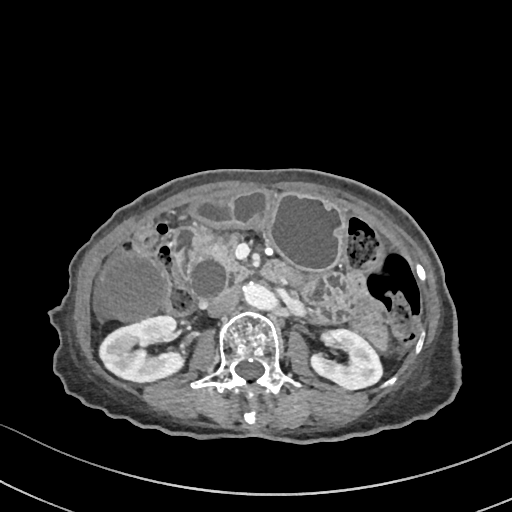
CT abdomen · axial view
{"organs":{"right kidney":[99,316,183,381],"left kidney":[311,329,382,389],"gall bladder":[97,253,167,320],"stomach":[191,192,345,271],"aorta":[242,283,277,309],"inferior vena cava":[207,288,239,316],"pancreas":[201,235,245,279],"duodenum":[170,224,289,283]}}